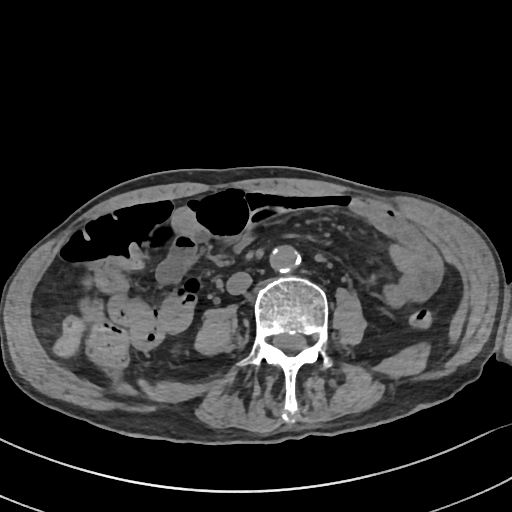

Abdominal CT. axial view. abdomen soft-tissue window. SOMATOM Force scanner. scan has 15 labeled organs (a whole-scan count: organs this slice does not pass through have no box)
Box edges are left/top/right/bottom in pixels.
Organ bounding boxes:
- aorta: left=270, top=245, right=300, bottom=272
- inferior vena cava: left=226, top=272, right=252, bottom=294